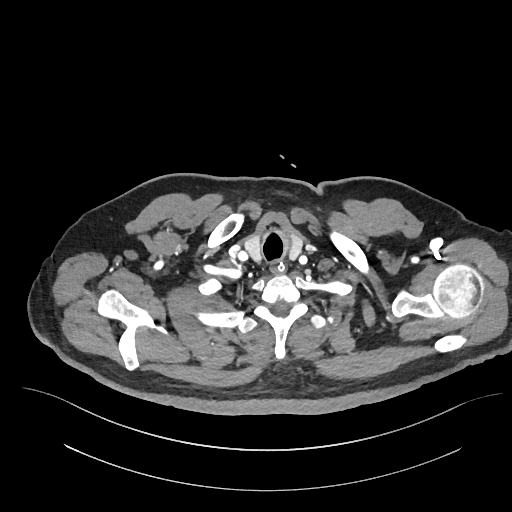
Abdominal CT reaching into the chest; this slice is in the chest; axial view; soft-tissue window, W/L 400/40
At this level of the chest no structure but the esophagus and the aorta has a label in this dataset, and those two are boxed only where they are labeled. Boxes: x1:y1:x2:y2 in pixels. 1 labeled organ on this slice — esophagus at 270:261:284:272.